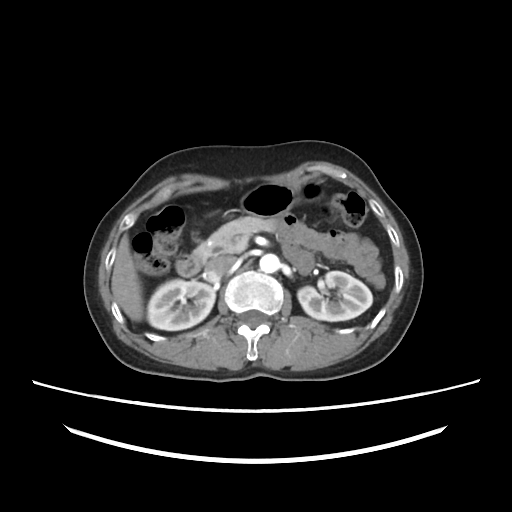 CT, abdomen/pelvis; axial view
Bounding boxes as [x1, y1, x2, y2] in pixel coordinates. The annotated organs in this slice are: stomach at [240, 181, 321, 218], liver at [111, 235, 142, 321], left kidney at [297, 271, 372, 321], pancreas at [198, 216, 275, 258], duodenum at [175, 248, 204, 276], inferior vena cava at [205, 255, 235, 276], right kidney at [147, 279, 215, 330], aorta at [259, 253, 279, 272].